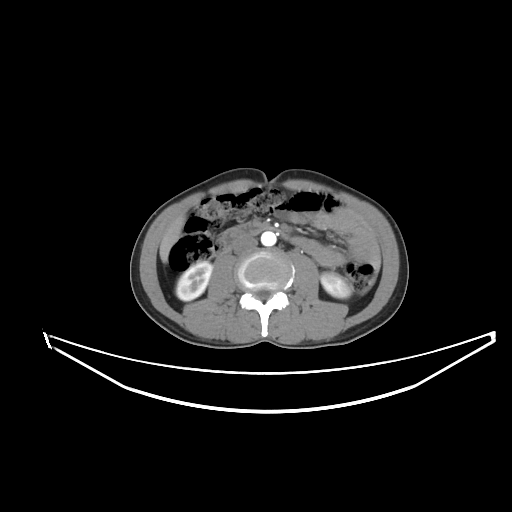
CT, abdomen/pelvis; axial view; 52-year-old male patient; Aquilion ONE scanner; 15 organs annotated in this scan (a whole-scan count: organs this slice does not pass through have no box)
Box edges are left/top/right/bottom in pixels. The annotated organs in this slice are: right kidney at left=176, top=261, right=212, bottom=301, left kidney at left=321, top=272, right=351, bottom=298, liver at left=159, top=213, right=185, bottom=263, aorta at left=261, top=231, right=276, bottom=246, inferior vena cava at left=233, top=236, right=257, bottom=254, duodenum at left=223, top=222, right=288, bottom=251.